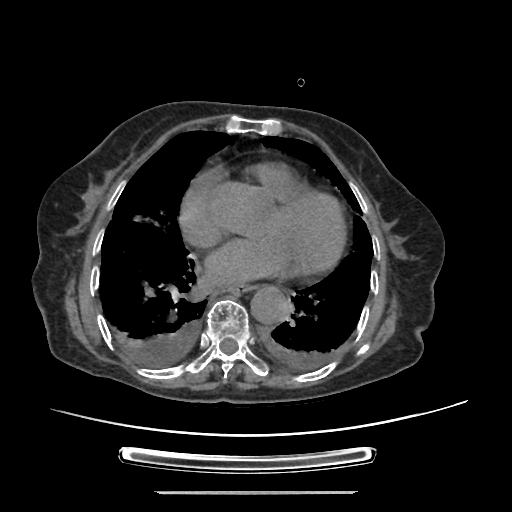

Lower-chest slice from an abdominal CT, just above the liver and spleen · axial view · 512x512 px
Of the structures in the chest, this dataset labels only the esophagus, the aorta and the inferior vena cava; the heart and lungs have no label.
Box edges are left/top/right/bottom in pixels.
aorta: left=250, top=286, right=291, bottom=324
esophagus: left=224, top=286, right=252, bottom=293